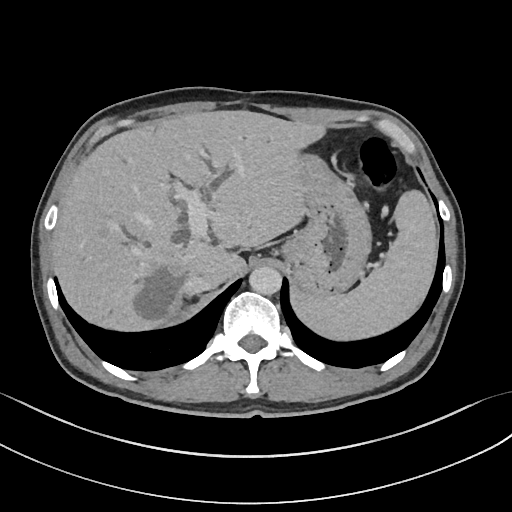

Computed tomography, abdomen — axial view — abdomen soft-tissue window — SOMATOM Force scanner
Each box given as x1,y1,x2,y2. Labeled organs on this slice: spleen at x1=290, y1=189, x2=437, y2=340, liver at x1=51, y1=111, x2=325, y2=329, stomach at x1=277, y1=154, x2=369, y2=295, aorta at x1=249, y1=266, x2=281, y2=294, inferior vena cava at x1=187, y1=272, x2=219, y2=294.